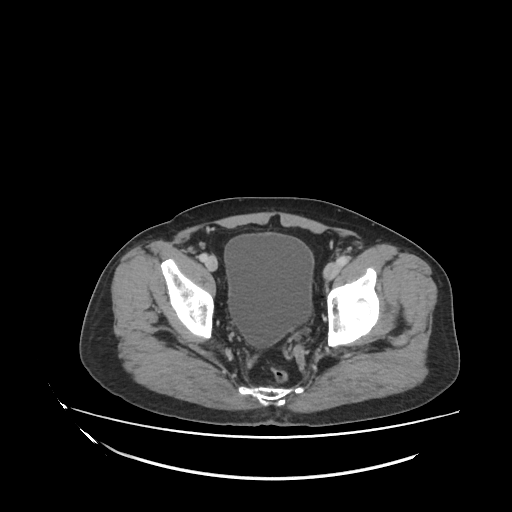
Abdominal CT; axial view; 512x512 px; 66-year-old male patient
Boxes are (x1, y1, x2, y2) in pixels. The annotated organs in this slice are: bladder at (225, 234, 312, 347).